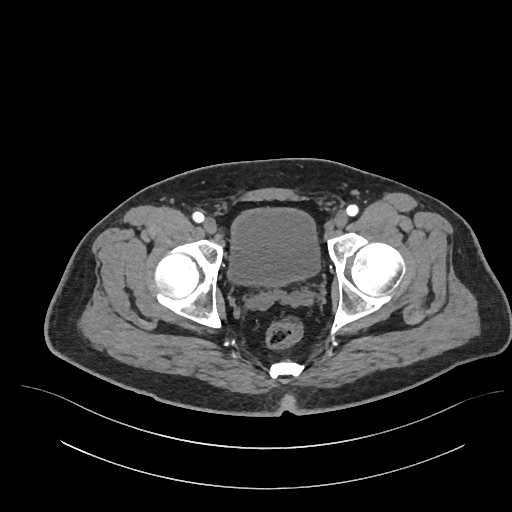

Computed tomography, abdomen. axial view. W/L 400/40 HU. 512x512 px. 15 organs annotated in this scan (that count is for the whole scan; organs this slice misses have no box)
Bounding boxes as [x1, y1, x2, y2] in pixel coordinates. The annotated organs in this slice are: bladder at [228, 208, 319, 285].